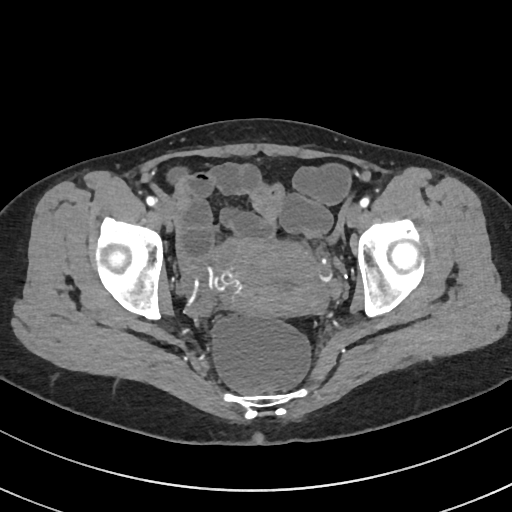

Abdominal CT; axial view; 15 organs annotated in this scan (that count is for the whole scan; organs this slice misses have no box)
Bounding boxes in pixels, one row per box: x1, y1 is the top-left corner and x2, y2 the bottom-right.
| organ | x1 | y1 | x2 | y2 |
|---|---|---|---|---|
| prostate/uterus | 217 | 241 | 325 | 315 |